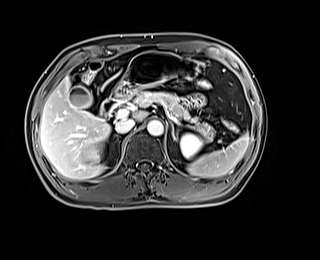 Abdominal MR. axial view
Bounding boxes in pixels, one row per box: x1, y1 is the top-left corner and x2, y2 the bottom-right.
| organ | x1 | y1 | x2 | y2 |
|---|---|---|---|---|
| gall bladder | 70 | 86 | 92 | 108 |
| liver | 40 | 77 | 149 | 179 |
| spleen | 187 | 133 | 249 | 177 |
| right kidney | 86 | 148 | 101 | 162 |
| pancreas | 129 | 91 | 215 | 141 |
| stomach | 111 | 52 | 198 | 102 |
| duodenum | 100 | 97 | 119 | 118 |
| left adrenal gland | 171 | 125 | 176 | 140 |
| left kidney | 180 | 133 | 202 | 158 |
| aorta | 147 | 120 | 163 | 135 |
| inferior vena cava | 115 | 119 | 135 | 133 |